Abdominal CT — Axial slice 137/306 — W/L 400/40 HU — 512x512 px
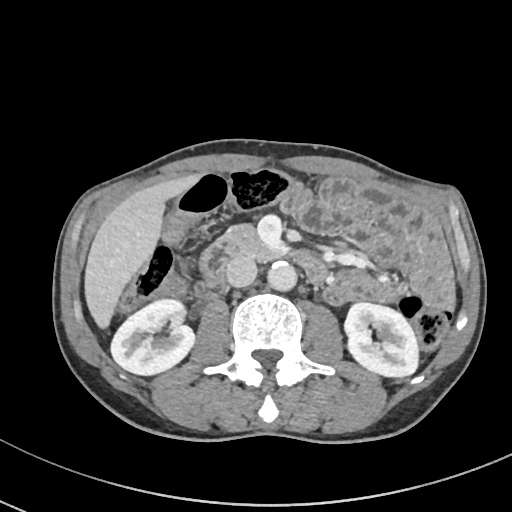 Coordinates as <box>x1,y1,x2,y2</box> in pixels.
right kidney: <box>110,299,194,375</box>
left kidney: <box>344,302,418,377</box>
liver: <box>85,174,200,328</box>
aorta: <box>267,260,296,291</box>
inferior vena cava: <box>225,255,257,287</box>
pancreas: <box>219,224,282,264</box>
duodenum: <box>200,241,327,286</box>